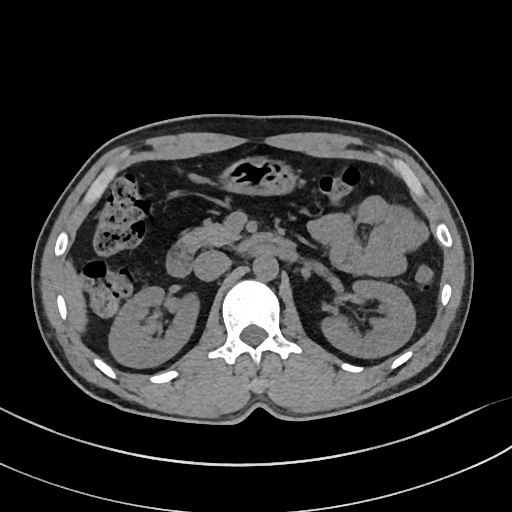
Abdominal CT; axial view; soft-tissue window (W 400 / L 40)
Bounding boxes in pixels, one row per box: x1, y1 is the top-left corner and x2, y2 the bottom-right.
| organ | x1 | y1 | x2 | y2 |
|---|---|---|---|---|
| right kidney | 110 | 287 | 200 | 367 |
| left kidney | 319 | 280 | 414 | 358 |
| pancreas | 176 | 220 | 240 | 251 |
| inferior vena cava | 194 | 251 | 230 | 281 |
| liver | 62 | 259 | 85 | 333 |
| stomach | 220 | 157 | 297 | 197 |
| aorta | 253 | 255 | 278 | 282 |
| duodenum | 166 | 232 | 293 | 276 |